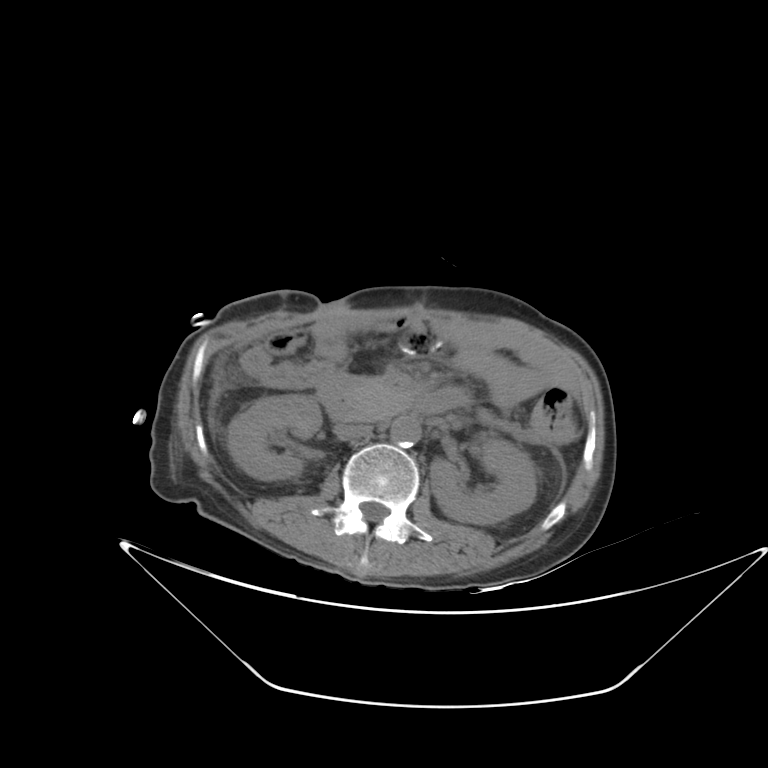
CT abdomen — axial view — soft-tissue window
Bounding boxes in pixels, one row per box: x1, y1 is the top-left corner and x2, y2 the bottom-right.
| organ | x1 | y1 | x2 | y2 |
|---|---|---|---|---|
| right kidney | 227 | 394 | 321 | 480 |
| inferior vena cava | 335 | 425 | 371 | 440 |
| pancreas | 342 | 378 | 411 | 421 |
| duodenum | 319 | 387 | 462 | 421 |
| left kidney | 430 | 438 | 536 | 524 |
| aorta | 390 | 417 | 421 | 447 |